Computed tomography, abdomen; axial plane, index 159; 512x512 px
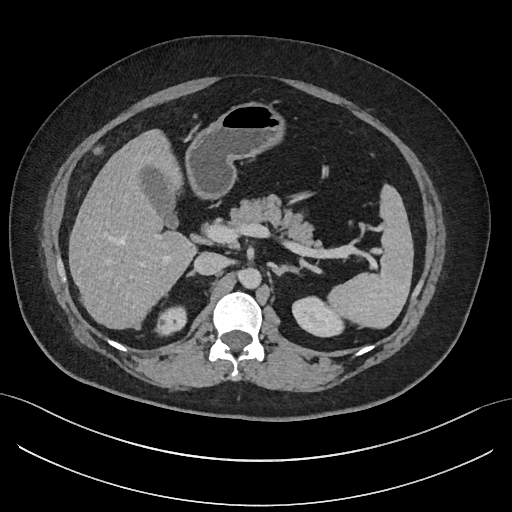

Coordinates as <box>x1,y1,x2,y2</box> in pixels.
Organ bounding boxes:
- spleen: <box>326,185,413,326</box>
- right kidney: <box>156,309,188,333</box>
- left kidney: <box>291,295,341,337</box>
- gall bladder: <box>138,164,177,227</box>
- liver: <box>68,131,194,328</box>
- stomach: <box>185,103,281,198</box>
- aorta: <box>239,268,261,288</box>
- inferior vena cava: <box>193,253,226,275</box>
- pancreas: <box>228,195,349,251</box>
- right adrenal gland: <box>188,271,192,274</box>
- left adrenal gland: <box>273,264,297,274</box>